Computed tomography, abdomen. axial plane, index 205. scan has 15 labeled organs (counted over the whole 3D scan, not this slice; an organ is boxed only where this slice passes through it)
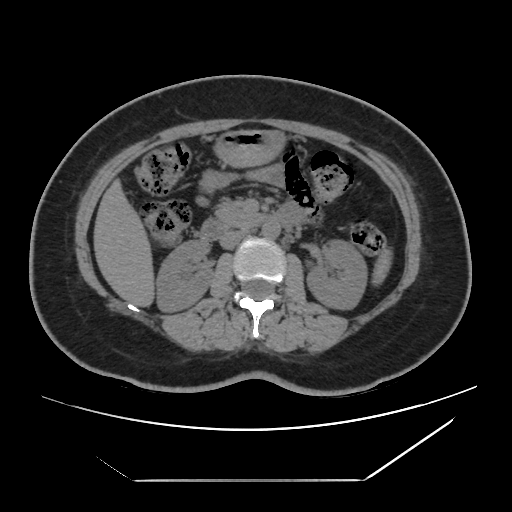 <organs><organ name="spleen" x1="372" y1="246" x2="391" y2="283"/><organ name="right kidney" x1="156" y1="240" x2="213" y2="312"/><organ name="left kidney" x1="306" y1="241" x2="366" y2="310"/><organ name="liver" x1="93" y1="178" x2="155" y2="307"/><organ name="stomach" x1="212" y1="130" x2="288" y2="168"/><organ name="aorta" x1="262" y1="221" x2="280" y2="239"/><organ name="inferior vena cava" x1="219" y1="229" x2="249" y2="249"/><organ name="pancreas" x1="215" y1="202" x2="262" y2="228"/><organ name="duodenum" x1="199" y1="204" x2="303" y2="241"/></organs>